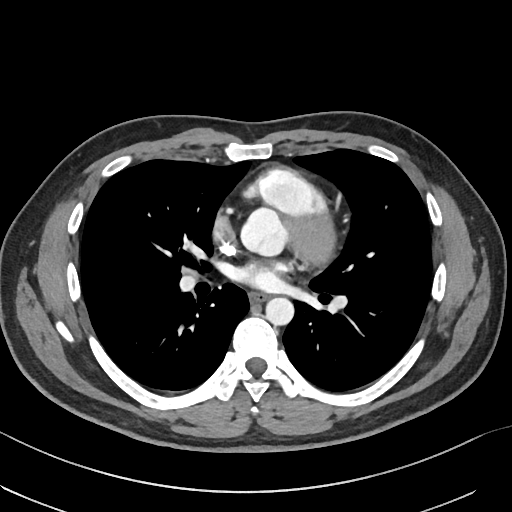
Chest-level CT slice, above the liver and spleen; axial view
At this level of the chest this dataset labels only the esophagus and the aorta, and each is boxed only where it is labeled; the heart and lungs are never labeled. Each box given as x1,y1,x2,y2. 2 labeled organs on this slice — aorta at x1=265, y1=297, x2=294, y2=325; esophagus at x1=249, y1=292, x2=267, y2=302.